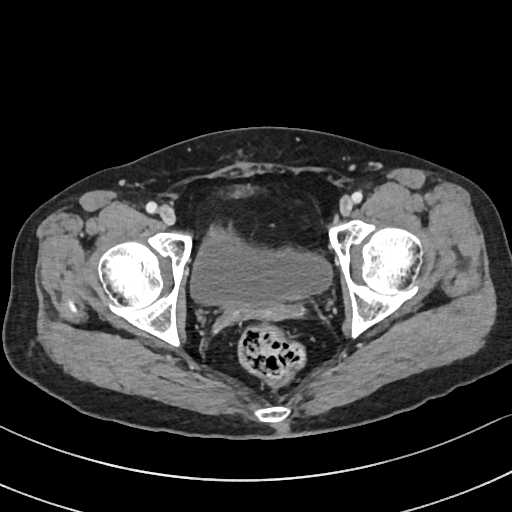 Computed tomography, abdomen — axial view — soft-tissue window (W 400 / L 40)
{"organs":{"bladder":[191,225,332,306]}}